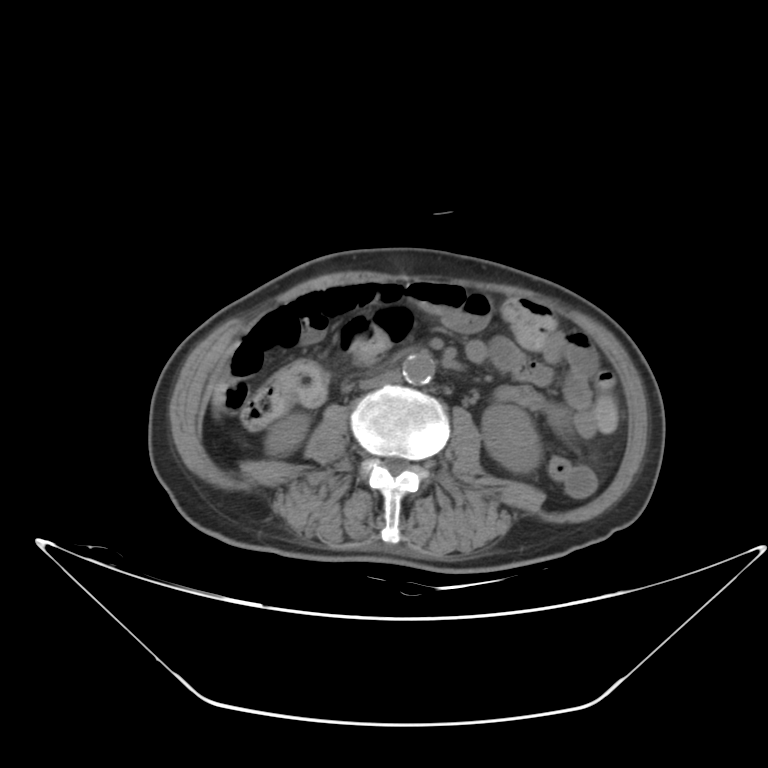

Abdominal CT · axial plane, index 52
Boxes: x1:y1:x2:y2 in pixels.
Organ bounding boxes:
- right kidney: 264:414:306:455
- left kidney: 484:404:540:475
- liver: 212:382:224:408
- aorta: 402:351:435:386
- inferior vena cava: 359:371:402:392